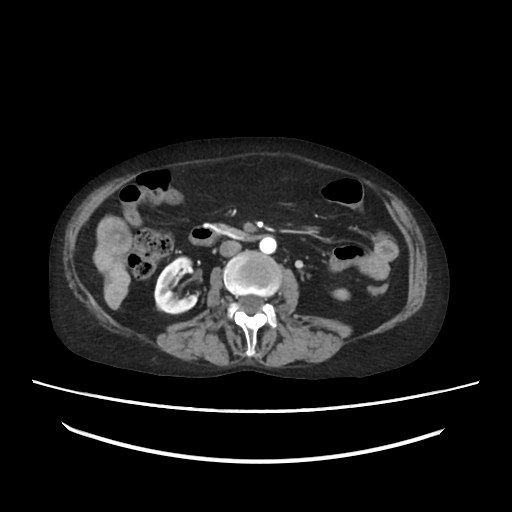

CT abdomen · axial plane, index 51 · W/L 400/40 HU · acquired on Aquilion ONE
Box edges are left/top/right/bottom in pixels.
right kidney: left=155, top=257, right=196, bottom=312
left kidney: left=333, top=288, right=348, bottom=299
liver: left=94, top=215, right=133, bottom=310
aorta: left=260, top=236, right=275, bottom=253
inferior vena cava: left=221, top=241, right=241, bottom=255
pancreas: left=214, top=225, right=244, bottom=236
duodenum: left=188, top=227, right=270, bottom=244